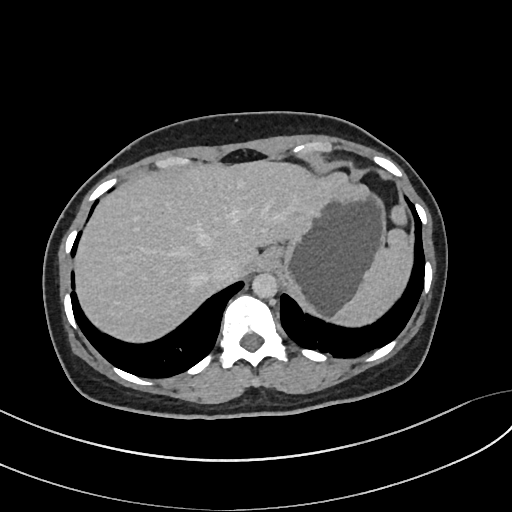 Computed tomography, abdomen; axial view
Boxes are (x1, y1, x2, y2) in pixels.
Organ bounding boxes:
- spleen: (332, 205, 413, 327)
- esophagus: (255, 250, 277, 271)
- liver: (76, 160, 348, 341)
- stomach: (271, 185, 385, 318)
- aorta: (252, 273, 277, 298)
- inferior vena cava: (205, 256, 242, 285)